Abdominal CT; axial view; soft-tissue window
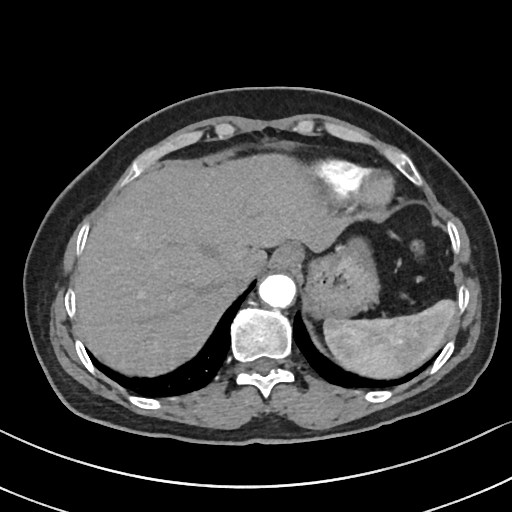

Bounding boxes in pixels, one row per box: x1, y1 is the top-left corner and x2, y2 the bottom-right.
| organ | x1 | y1 | x2 | y2 |
|---|---|---|---|---|
| aorta | 258 | 274 | 294 | 306 |
| liver | 74 | 154 | 346 | 378 |
| spleen | 323 | 299 | 457 | 380 |
| inferior vena cava | 224 | 261 | 258 | 286 |
| stomach | 306 | 238 | 381 | 318 |
| esophagus | 271 | 242 | 302 | 270 |